CT, abdomen/pelvis; axial view; abdomen soft-tissue window; 512x512 px; acquired on SOMATOM Force; scan has 15 labeled organs (a whole-scan count: organs this slice does not pass through have no box)
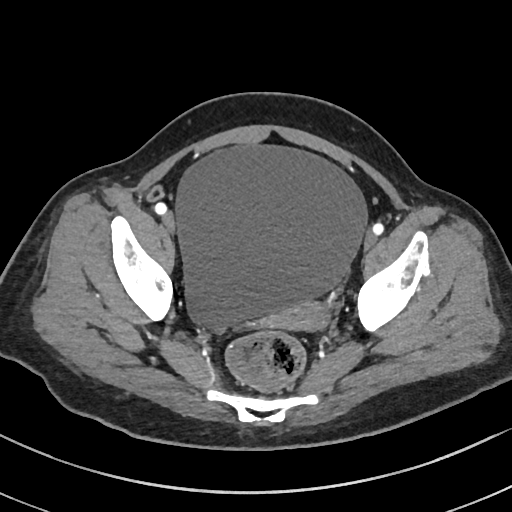 One row per box, in pixels: columns x1 and y1 give the top-left corner, x2 and y2 the bottom-right.
| organ | x1 | y1 | x2 | y2 |
|---|---|---|---|---|
| bladder | 176 | 146 | 365 | 327 |
| prostate/uterus | 272 | 302 | 326 | 328 |